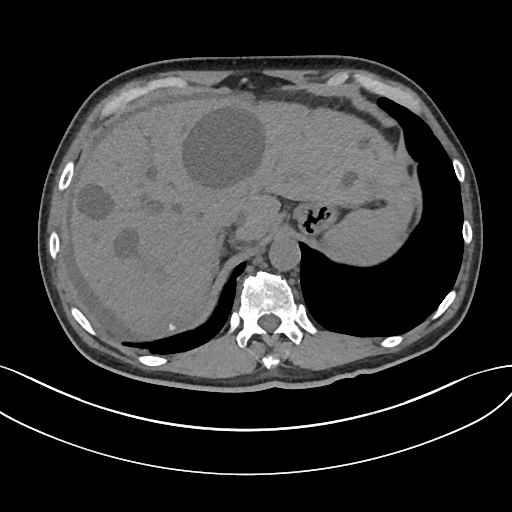

Abdominal CT; Axial slice 177/213; 512x512 px; SOMATOM Force scanner
<organs><organ name="spleen" x1="323" y1="207" x2="409" y2="265"/><organ name="liver" x1="70" y1="95" x2="413" y2="337"/><organ name="stomach" x1="293" y1="202" x2="338" y2="236"/><organ name="aorta" x1="269" y1="236" x2="300" y2="270"/><organ name="inferior vena cava" x1="213" y1="208" x2="241" y2="229"/><organ name="right adrenal gland" x1="212" y1="238" x2="223" y2="276"/></organs>